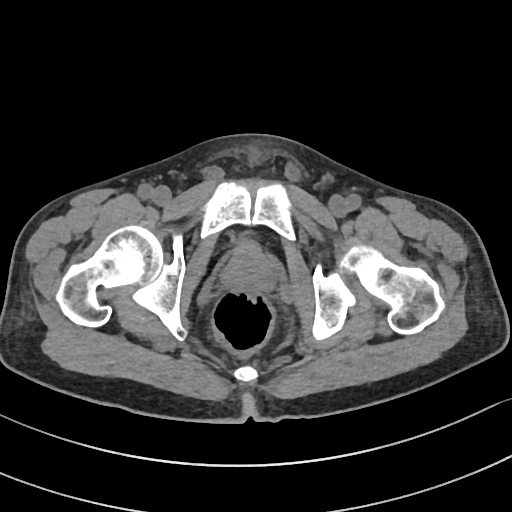
Computed tomography, abdomen · axial view · 15 organs annotated in this scan (a whole-scan count: organs this slice does not pass through have no box)
<organs><organ name="prostate/uterus" x1="223" y1="245" x2="273" y2="292"/></organs>